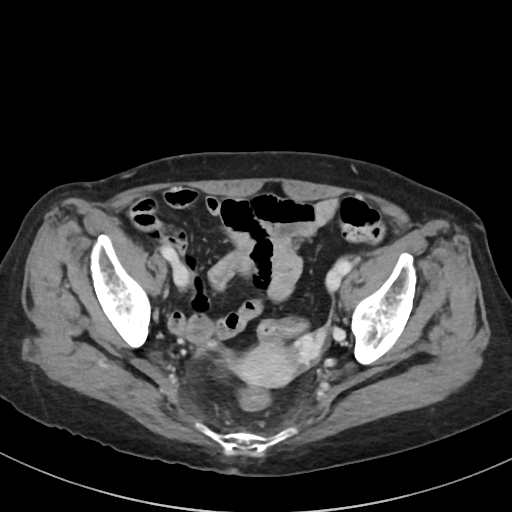
CT, abdomen/pelvis. axial view. abdomen soft-tissue window. 15 organs annotated in this scan (that count is for the whole scan; organs this slice misses have no box)
Box edges are left/top/right/bottom in pixels. 1 labeled organ on this slice — prostate/uterus at left=234, top=342, right=299, bottom=387.